Computed tomography, abdomen — axial view
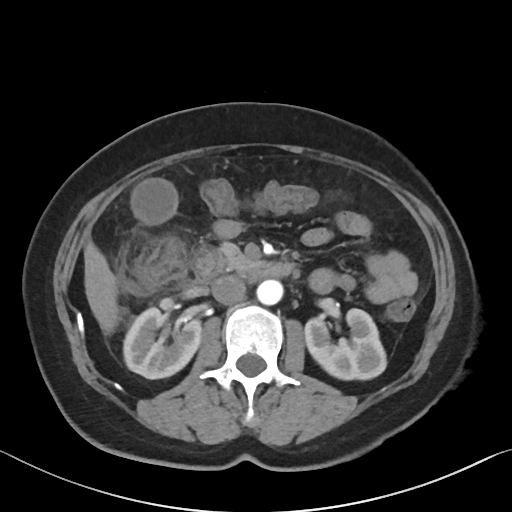
{"organs":{"inferior vena cava":[211,275,246,304],"liver":[84,241,119,333],"pancreas":[218,242,255,273],"duodenum":[193,249,294,284],"left kidney":[305,308,386,379],"gall bladder":[133,179,176,222],"right kidney":[123,307,201,378],"aorta":[257,279,283,304]}}